CT, abdomen/pelvis — axial view — acquired on SOMATOM Force
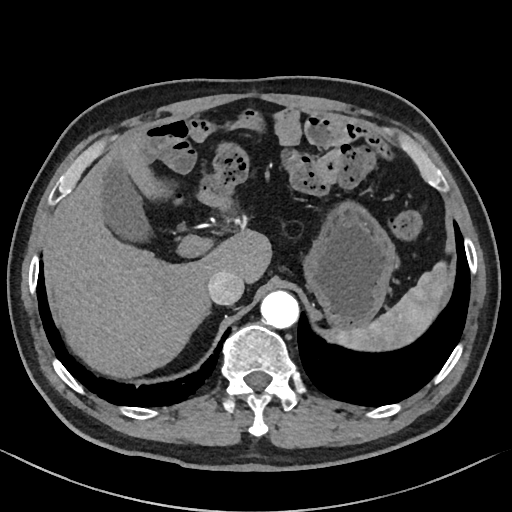
Boxes: x1:y1:x2:y2 in pixels.
Organ bounding boxes:
- liver: 44:136:270:378
- aorta: 260:291:299:328
- stomach: 305:205:396:329
- spleen: 325:259:448:351
- inferior vena cava: 208:271:244:304
- gall bladder: 101:164:147:239
- right adrenal gland: 204:308:213:316